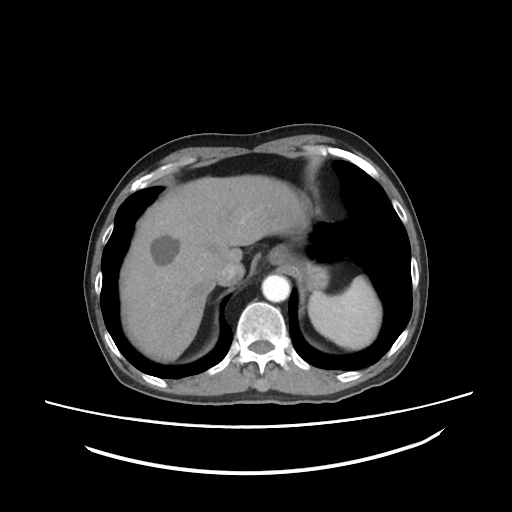 CT, abdomen/pelvis · axial view · W/L 400/40 HU · 512x512 px
Bounding boxes as [x1, y1, x2, y2] in pixel coordinates.
Organ bounding boxes:
- spleen: [308, 276, 381, 349]
- esophagus: [269, 248, 282, 264]
- liver: [120, 174, 307, 361]
- stomach: [276, 230, 328, 289]
- aorta: [262, 275, 290, 302]
- inferior vena cava: [216, 262, 244, 285]